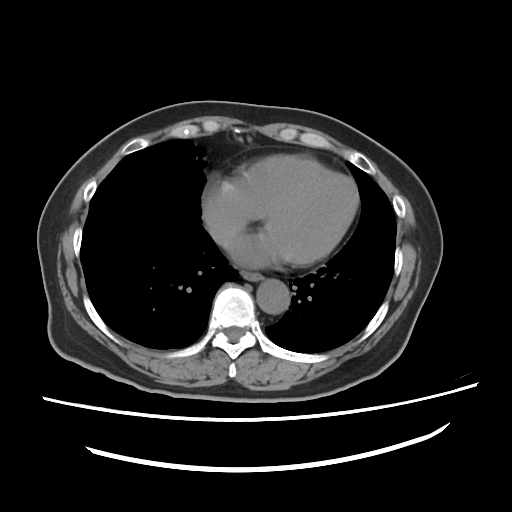

Lower-chest slice from an abdominal CT, just above the liver and spleen; Axial slice 87/88; soft-tissue window, W/L 400/40; scan has 14 labeled organs (a whole-scan count: organs this slice does not pass through have no box)
The heart and lungs are never labeled in this dataset, so they have no box on this slice.
Boxes: x1 y1 x2 y2 (pixel coords, space-separated).
esophagus: 241 271 262 280
aorta: 256 279 290 314
inferior vena cava: 213 228 233 246